CT, abdomen/pelvis — axial view
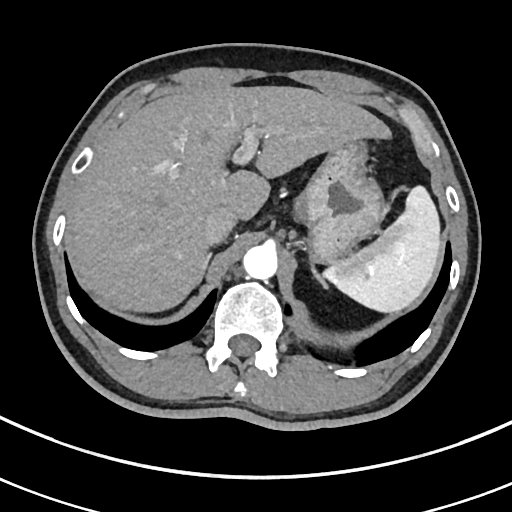

Boxes are (x1, y1, x2, y2) in pixels.
Organ bounding boxes:
- spleen: (322, 188, 439, 311)
- liver: (67, 86, 392, 310)
- stomach: (294, 143, 385, 262)
- aorta: (243, 244, 278, 279)
- inferior vena cava: (204, 206, 236, 244)
- left adrenal gland: (309, 264, 329, 288)